CT, abdomen/pelvis; axial view; 512x512 px; SOMATOM Force scanner
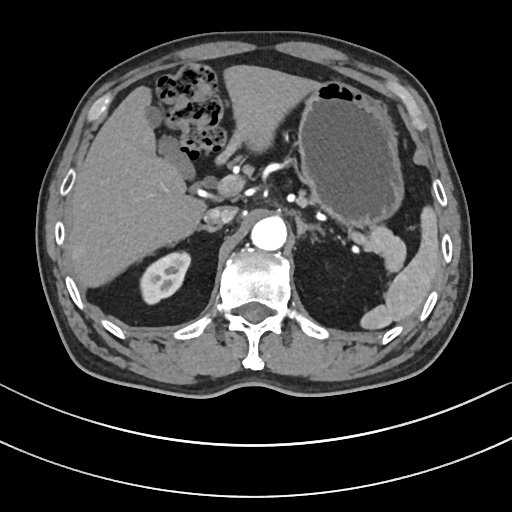
Each box given as x1,y1,x2,y2.
spleen: x1=360, y1=206, x2=438, y2=329
right kidney: x1=139, y1=252, x2=190, y2=304
gall bladder: x1=146, y1=107, x2=194, y2=178
liver: x1=67, y1=64, x2=317, y2=287
stomach: x1=297, y1=81, x2=403, y2=228
aorta: x1=251, y1=217, x2=286, y2=250
inferior vena cava: x1=203, y1=206, x2=236, y2=225
pancreas: x1=297, y1=191, x2=406, y2=271
right adrenal gland: x1=197, y1=225, x2=220, y2=231
left adrenal gland: x1=295, y1=215, x2=323, y2=238
duodenum: x1=217, y1=132, x2=240, y2=163